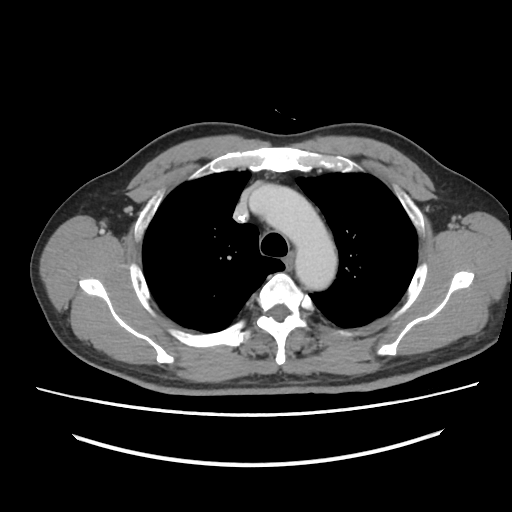 CT of the abdomen extending into the chest, slice through the chest. axial view. soft-tissue window (W 400 / L 40). 512x512 px. acquired on Aquilion ONE
On a slice this high in the chest, this dataset labels only the esophagus and the aorta, and each is boxed only where it is labeled; the heart, lungs and other chest structures are not labeled.
{"organs":{"esophagus":[284,253,293,267],"aorta":[261,186,336,289]}}